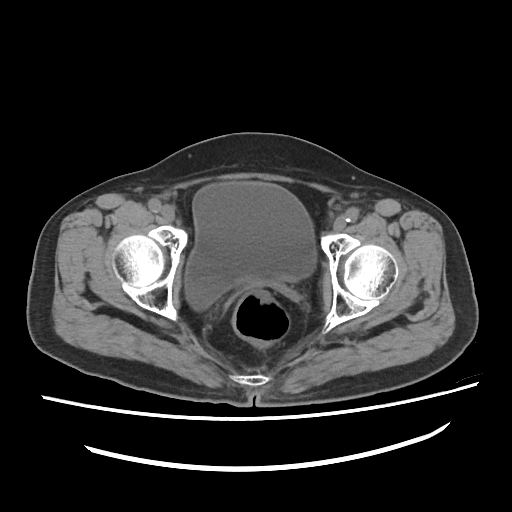
CT, abdomen/pelvis — axial plane, index 16 — Aquilion ONE scanner
{"organs":{"bladder":[184,182,316,309]}}